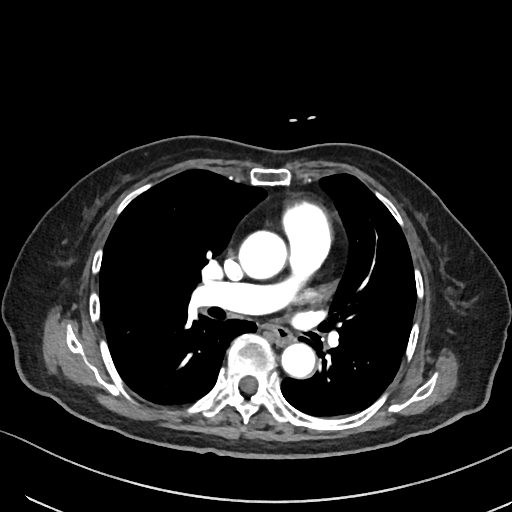

CT of the abdomen reaching into the lower chest, slice just above the liver and spleen · axial view · soft-tissue window, W/L 400/40
Of the structures in the chest, this dataset labels only the esophagus, the aorta and the inferior vena cava; the heart and lungs have no label.
Bounding boxes in pixels, one row per box: x1, y1 is the top-left corner and x2, y2 the bottom-right.
| organ | x1 | y1 | x2 | y2 |
|---|---|---|---|---|
| esophagus | 271 | 326 | 294 | 344 |
| aorta | 238 | 230 | 287 | 279 |
| aorta | 281 | 343 | 315 | 378 |